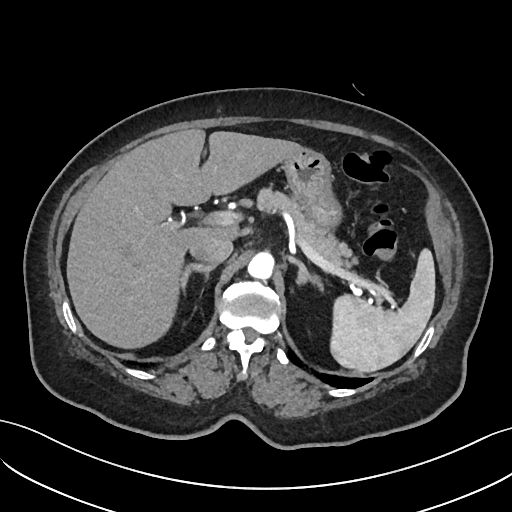
Computed tomography, abdomen — axial view — 512x512 px — 15 organs annotated in this scan (a whole-scan count: organs this slice does not pass through have no box)
One row per box, in pixels: columns x1 and y1 give the top-left corner, x2 and y2 the bottom-right.
| organ | x1 | y1 | x2 | y2 |
|---|---|---|---|---|
| liver | 66 | 129 | 302 | 348 |
| pancreas | 257 | 187 | 383 | 298 |
| left adrenal gland | 287 | 256 | 322 | 289 |
| inferior vena cava | 189 | 236 | 232 | 264 |
| spleen | 330 | 249 | 435 | 371 |
| stomach | 283 | 147 | 342 | 229 |
| aorta | 248 | 252 | 274 | 279 |
| right adrenal gland | 180 | 263 | 215 | 289 |